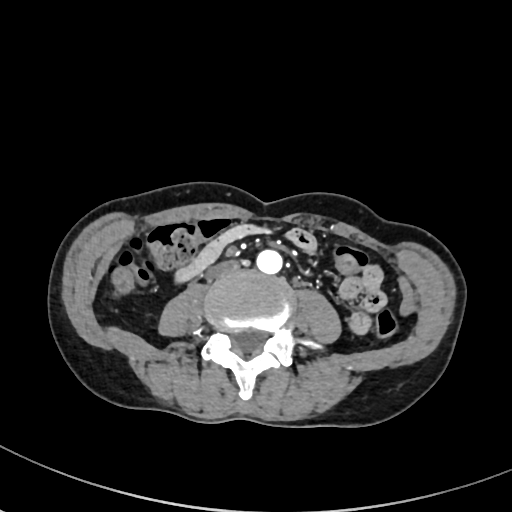

CT abdomen — axial view
Coordinates as <box>x1,y1,x2,y2</box> in pixels.
Organ bounding boxes:
- aorta: <box>256,249,282,274</box>
- inferior vena cava: <box>206,260,239,280</box>